CT, abdomen/pelvis; axial view; soft-tissue window; 512x512 px; 15 organs annotated in this scan (a whole-scan count: organs this slice does not pass through have no box)
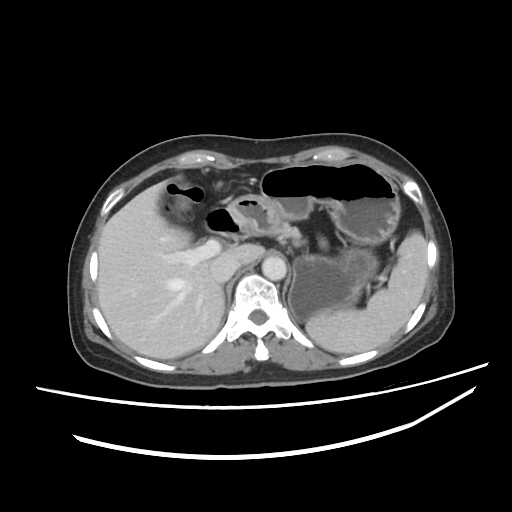 Each box given as x1,y1,x2,y2.
Organ bounding boxes:
- inferior vena cava: x1=210, y1=256, x2=239, y2=282
- stomach: x1=227, y1=161, x2=400, y2=320
- spleen: x1=305, y1=232, x2=427, y2=353
- aorta: x1=262, y1=256, x2=286, y2=280
- duodenum: x1=205, y1=208, x2=240, y2=235
- liver: x1=97, y1=180, x2=263, y2=359
- pancreas: x1=267, y1=222, x2=304, y2=246